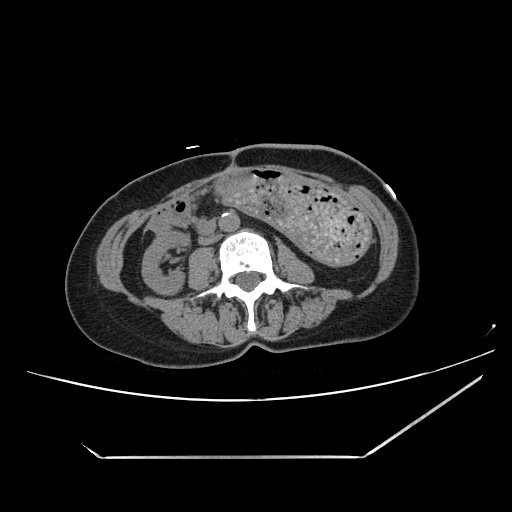

Abdominal CT · axial view · abdomen soft-tissue window · 512x512 px
{"organs":{"right kidney":[141,230,186,295],"stomach":[222,180,375,264],"aorta":[219,212,239,231],"inferior vena cava":[199,233,220,244],"duodenum":[198,219,215,234]}}